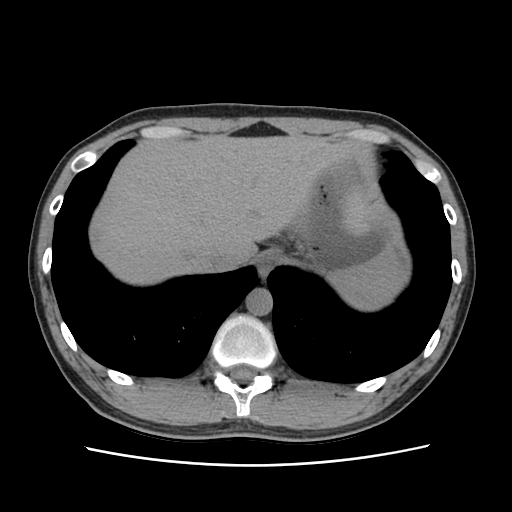

CT abdomen · axial view · SOMATOM Force scanner
Coordinates as <box>x1,y1,x2,y2</box> in pixels. The annotated organs in this slice are: esophagus at <box>258,250,276,278</box>, spleen at <box>329,247,404,311</box>, inferior vena cava at <box>206,252,242,269</box>, aorta at <box>246,289,273,315</box>, stomach at <box>288,156,391,264</box>, liver at <box>92,136,366,282</box>.